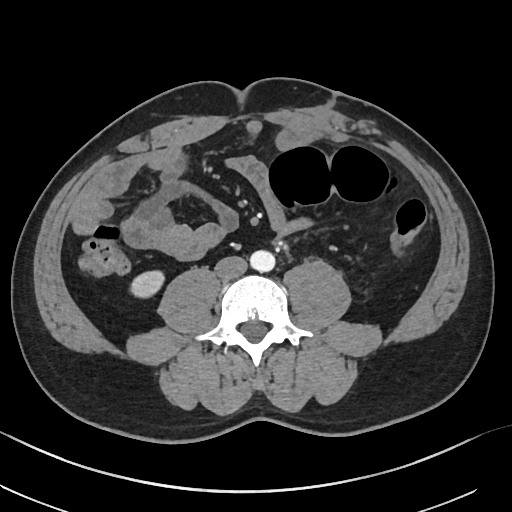

Computed tomography, abdomen. axial plane, index 115
Boxes: x1:y1:x2:y2 in pixels.
right kidney: 131:270:164:296
aorta: 250:250:275:272
inferior vena cava: 215:255:247:280